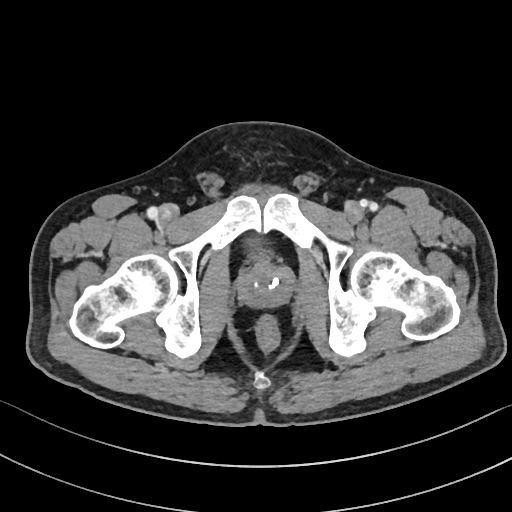 Abdominal CT; axial plane, index 23; soft-tissue window (W 400 / L 40); acquired on SOMATOM Force
Coordinates as <box>x1,y1,x2,y2</box> in pixels. Labeled organs on this slice: bladder at <box>247,236,269,261</box>, prostate/uterus at <box>238,262,291,307</box>.